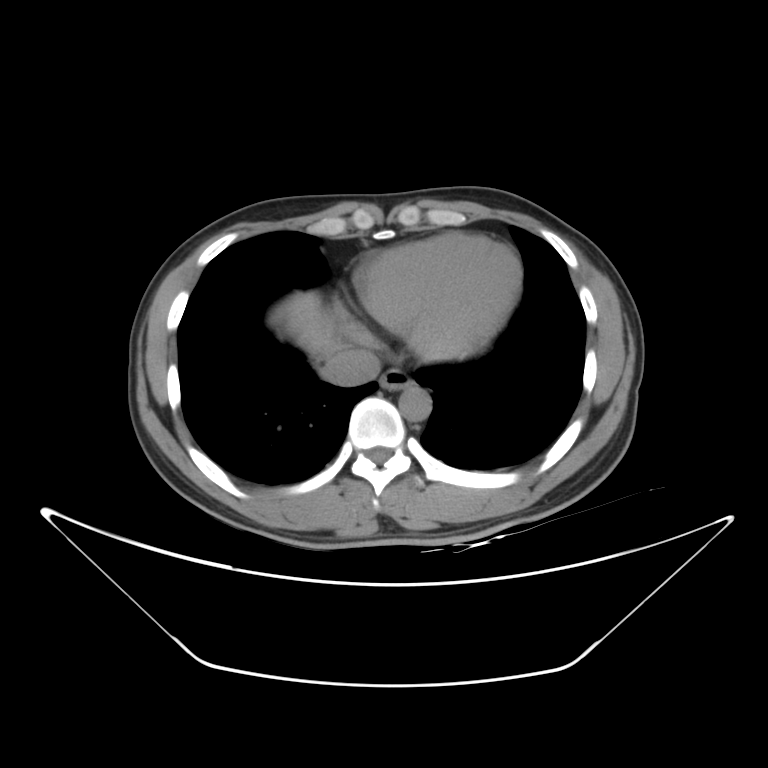 CT, abdomen/pelvis; axial plane, index 90; 37-year-old male patient
<organs><organ name="esophagus" x1="379" y1="368" x2="412" y2="390"/><organ name="liver" x1="270" y1="291" x2="341" y2="358"/><organ name="aorta" x1="399" y1="386" x2="430" y2="421"/><organ name="inferior vena cava" x1="322" y1="348" x2="381" y2="386"/></organs>